CT, abdomen/pelvis — axial plane, index 64 — abdomen soft-tissue window
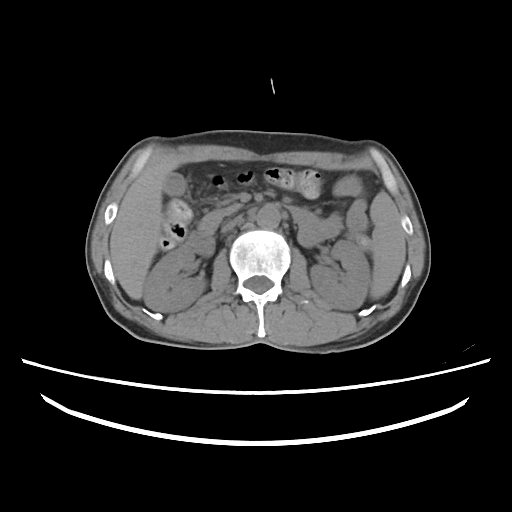
Boxes: x1 y1 x2 y2 (pixel coords, space-separated).
aorta: 256 204 280 228
inferior vena cava: 220 214 243 232
right kidney: 143 245 206 311
spleen: 370 192 406 300
gall bladder: 162 172 184 196
left kidney: 309 241 369 310
liver: 110 163 181 298
pancreas: 199 200 243 232
duodenum: 188 206 321 255